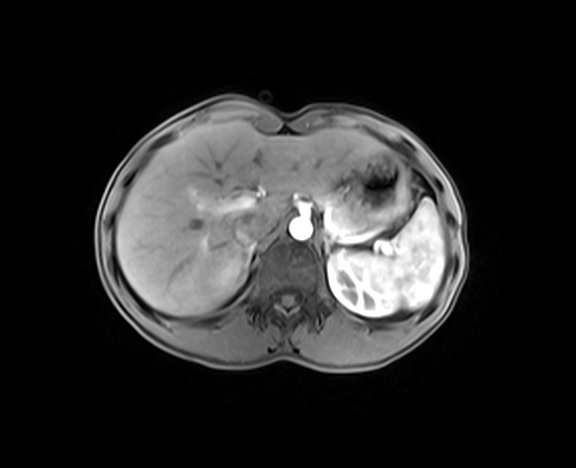
Magnetic resonance imaging, abdomen · axial view · 1st–99th percentile window · 576x468 px · scan has 13 labeled organs (a whole-scan count: organs this slice does not pass through have no box)
Coordinates as <box>x1,y1,x2,y2</box> in pixels.
spleen: <box>365,198,444,308</box>
right kidney: <box>215,260,246,295</box>
left kidney: <box>328,250,398,316</box>
liver: <box>116,121,387,315</box>
stomach: <box>348,154,411,228</box>
aorta: <box>289,217,312,240</box>
inferior vena cava: <box>233,214,271,245</box>
pancreas: <box>314,190,360,234</box>
right adrenal gland: <box>241,246,254,263</box>
left adrenal gland: <box>322,234,334,256</box>